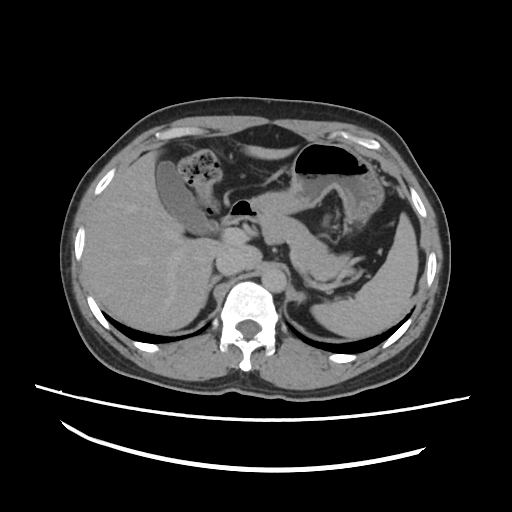 Abdominal CT · axial view · Aquilion ONE scanner
Box edges are left/top/right/bottom in pixels. 9 labeled organs on this slice — spleen at left=310, top=213, right=419, bottom=339; gall bladder at left=155, top=161, right=217, bottom=236; liver at left=84, top=144, right=294, bottom=331; stomach at left=251, top=140, right=384, bottom=221; aorta at left=260, top=269, right=286, bottom=291; inferior vena cava at left=216, top=246, right=244, bottom=276; pancreas at left=251, top=198, right=351, bottom=281; right adrenal gland at left=207, top=275, right=219, bottom=299; duodenum at left=222, top=200, right=261, bottom=225.